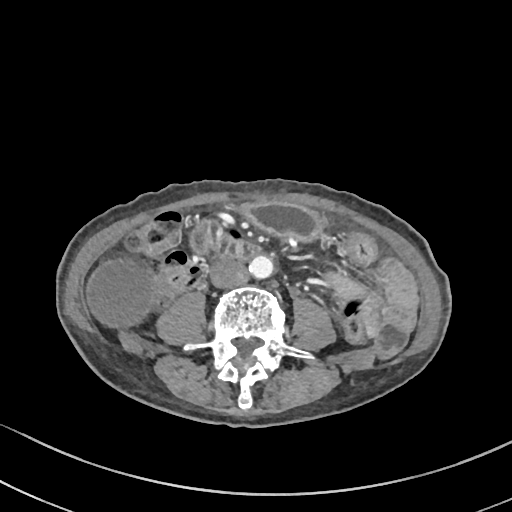
CT, abdomen/pelvis · axial view
One row per box, in pixels: columns x1 and y1 give the top-left corner, x2 and y2 the bottom-right.
| organ | x1 | y1 | x2 | y2 |
|---|---|---|---|---|
| inferior vena cava | 210 | 261 | 248 | 287 |
| stomach | 239 | 203 | 323 | 241 |
| gall bladder | 85 | 260 | 154 | 327 |
| duodenum | 192 | 220 | 259 | 259 |
| aorta | 248 | 255 | 272 | 278 |